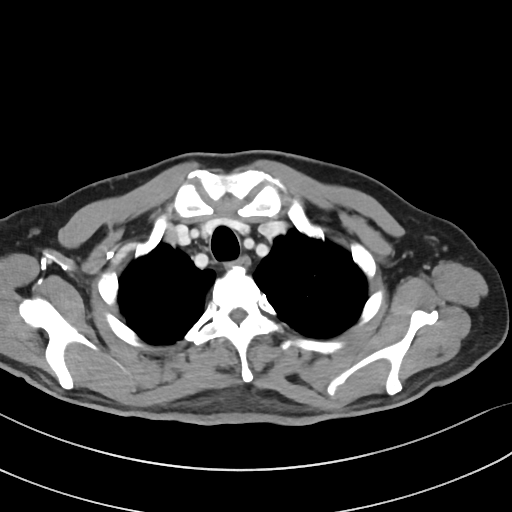

Chest-level CT slice, above the liver and spleen — axial plane, index 116
At this level of the chest this dataset labels only the esophagus and the aorta, and each is boxed only where it is labeled; the heart and lungs are never labeled.
Each box given as x1,y1,x2,y2.
esophagus: x1=229, y1=258, x2=249, y2=267